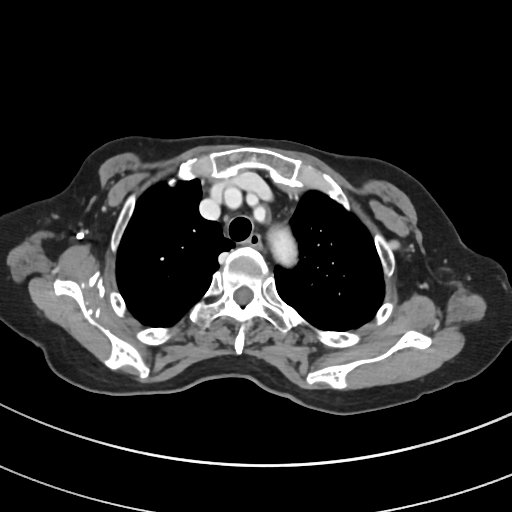
Chest-level CT slice, above the liver and spleen — axial view — 512x512 px
At this level of the chest this dataset labels only the esophagus and the aorta, and each is boxed only where it is labeled; the heart and lungs are never labeled.
<organs><organ name="esophagus" x1="248" y1="233" x2="262" y2="249"/><organ name="aorta" x1="268" y1="227" x2="296" y2="265"/></organs>